MRI, abdomen. coronal view. 1st–99th percentile window. 320x320 px
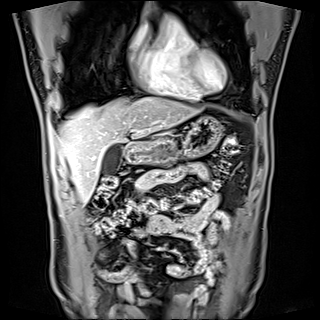

<organs><organ name="gall bladder" x1="101" y1="143" x2="122" y2="175"/><organ name="liver" x1="58" y1="97" x2="197" y2="203"/><organ name="stomach" x1="127" y1="116" x2="221" y2="164"/><organ name="duodenum" x1="126" y1="141" x2="139" y2="155"/></organs>